Abdominal MRI; coronal view; 1st–99th percentile window; acquired on Prisma
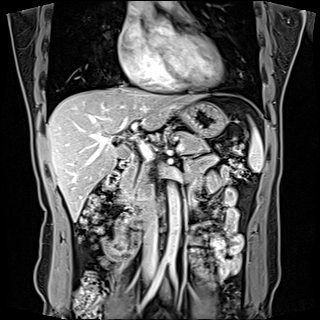

One row per box, in pixels: columns x1 and y1 give the top-left corner, x2 and y2 the bottom-right.
| organ | x1 | y1 | x2 | y2 |
|---|---|---|---|---|
| spleen | 249 | 128 | 263 | 172 |
| gall bladder | 118 | 144 | 129 | 157 |
| liver | 46 | 85 | 200 | 221 |
| stomach | 179 | 102 | 225 | 137 |
| aorta | 162 | 183 | 180 | 260 |
| inferior vena cava | 143 | 184 | 157 | 269 |
| pancreas | 120 | 131 | 207 | 204 |
| duodenum | 118 | 152 | 156 | 214 |